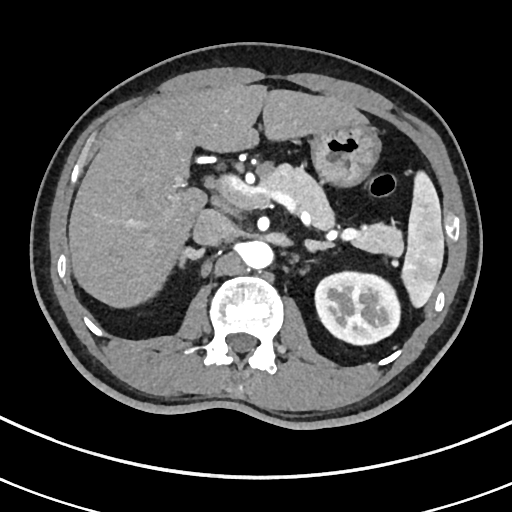 CT, abdomen/pelvis — axial view
Boxes are (x1, y1, x2, y2) in pixels. 9 labeled organs on this slice — spleen at (399, 168, 444, 309); left kidney at (316, 271, 398, 343); liver at (68, 84, 369, 309); stomach at (311, 126, 381, 184); aorta at (240, 241, 272, 269); inferior vena cava at (193, 208, 234, 245); pancreas at (263, 166, 402, 258); right adrenal gland at (178, 247, 205, 275); left adrenal gland at (304, 241, 334, 253).